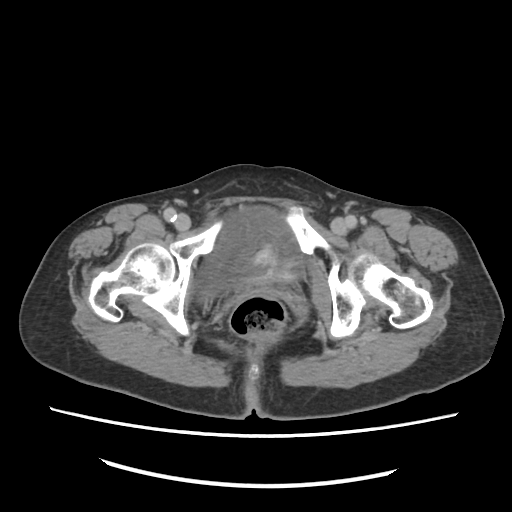
CT abdomen; axial view; 512x512 px
<organs><organ name="bladder" x1="197" y1="206" x2="302" y2="292"/></organs>